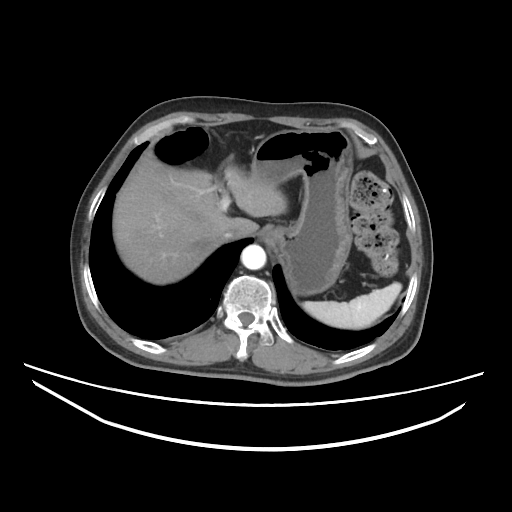 Computed tomography, abdomen. axial plane, index 78
Boxes: x1 y1 x2 y2 (pixel coords, space-separated). 5 labeled organs on this slice — spleen at 302 282 401 329; liver at 112 152 287 284; stomach at 249 128 352 295; aorta at 241 244 266 269; inferior vena cava at 221 227 244 241.